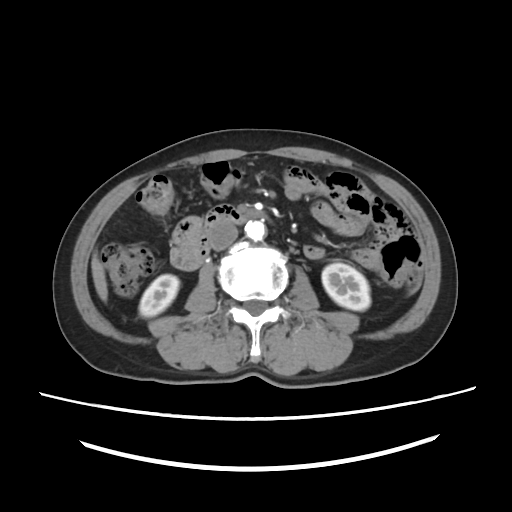 Abdominal CT — Axial slice 55/134
Boxes: x1:y1:x2:y2 in pixels. 6 labeled organs on this slice — right kidney at 139:274:179:317; left kidney at 321:263:370:310; liver at 91:253:107:301; aorta at 245:220:265:240; inferior vena cava at 209:223:238:250; duodenum at 170:205:248:270.